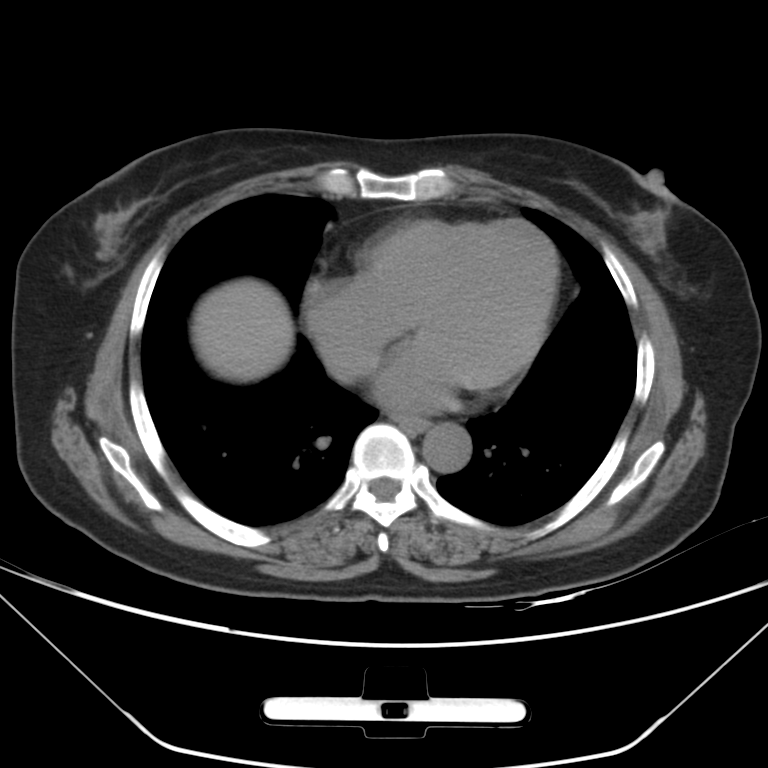

Computed tomography, abdomen. axial view. 40-year-old male patient. 15 organs annotated in this scan (that count is for the whole scan; organs this slice misses have no box)
<organs><organ name="esophagus" x1="395" y1="416" x2="428" y2="432"/><organ name="aorta" x1="423" y1="423" x2="471" y2="473"/><organ name="liver" x1="191" y1="278" x2="293" y2="382"/></organs>